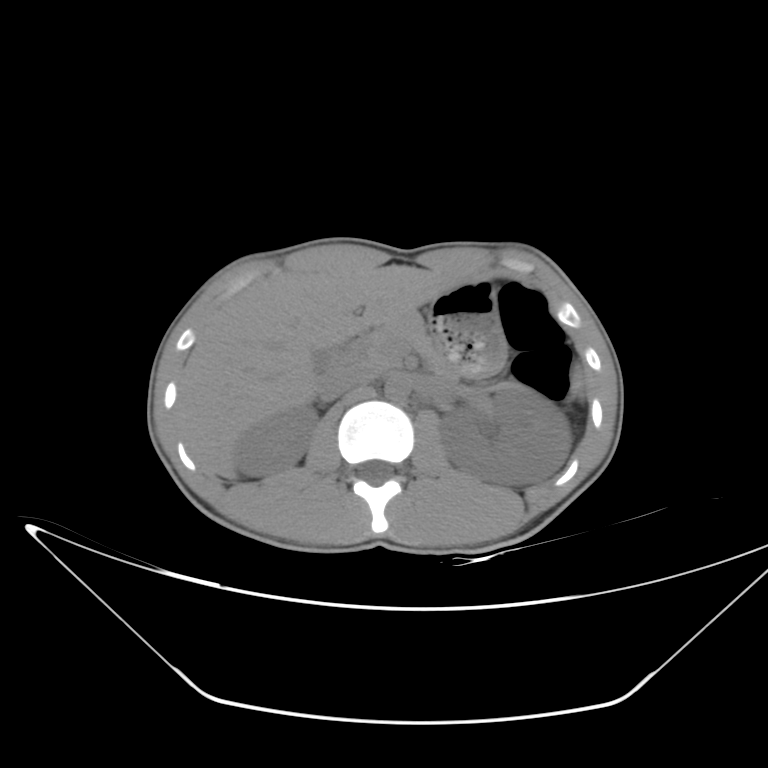

Computed tomography, abdomen · axial view · Aquilion ONE scanner
One row per box, in pixels: columns x1 and y1 give the top-left corner, x2 and y2 the bottom-right.
| organ | x1 | y1 | x2 | y2 |
|---|---|---|---|---|
| aorta | 384 | 375 | 411 | 401 |
| inferior vena cava | 318 | 368 | 373 | 399 |
| pancreas | 362 | 311 | 518 | 390 |
| duodenum | 327 | 337 | 364 | 372 |
| spleen | 570 | 368 | 585 | 395 |
| gall bladder | 315 | 353 | 328 | 369 |
| liver | 174 | 264 | 458 | 478 |
| right kidney | 235 | 406 | 317 | 475 |
| left kidney | 438 | 387 | 571 | 486 |
| stomach | 428 | 280 | 506 | 377 |